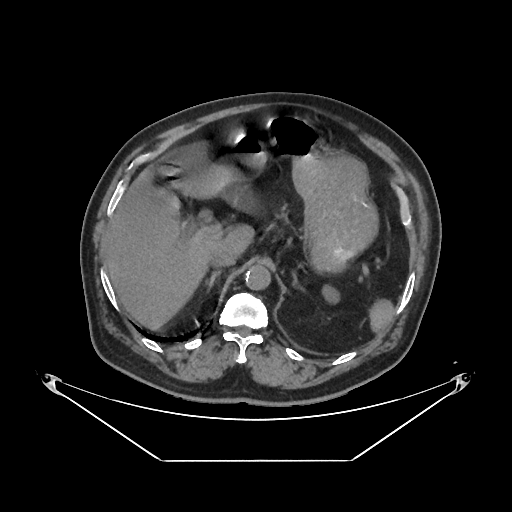

CT abdomen. axial view. soft-tissue window (W 400 / L 40)
{"organs":{"spleen":[370,300,394,332],"left kidney":[324,288,338,301],"liver":[105,135,253,330],"stomach":[232,117,378,271],"aorta":[245,265,271,290],"inferior vena cava":[209,249,236,268],"right adrenal gland":[209,271,220,290],"left adrenal gland":[293,273,297,289]}}